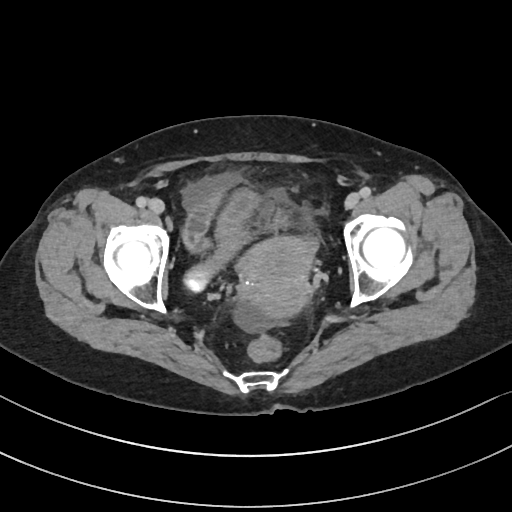

CT, abdomen/pelvis; Axial slice 37/212; SOMATOM Force scanner
Box edges are left/top/right/bottom in pixels.
bladder: left=184, top=191, right=256, bottom=291
prostate/uterus: left=239, top=236, right=312, bottom=317